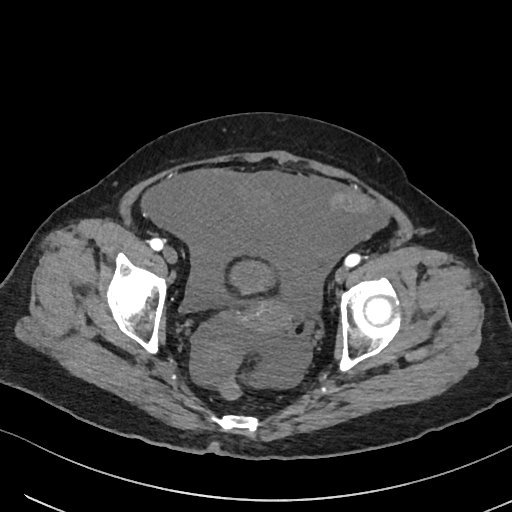
Abdominal CT — axial plane, index 49 — W/L 400/40 HU
Bounding boxes in pixels, one row per box: x1, y1 is the top-left corner and x2, y2 the bottom-right.
| organ | x1 | y1 | x2 | y2 |
|---|---|---|---|---|
| bladder | 230 | 261 | 275 | 293 |
| prostate/uterus | 241 | 302 | 291 | 340 |